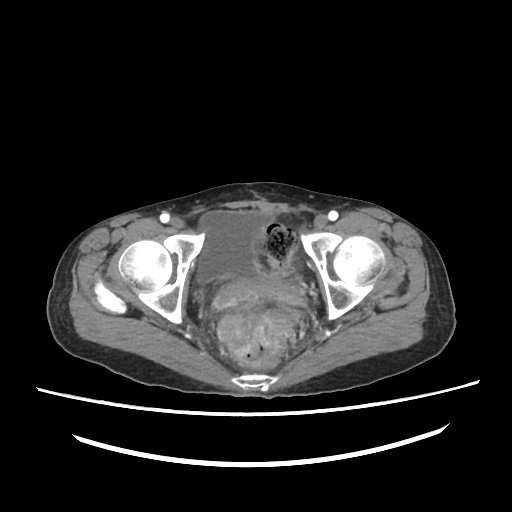
CT abdomen · Axial slice 13/82 · abdomen soft-tissue window · Aquilion ONE scanner
{"organs":{"bladder":[195,210,271,281],"prostate/uterus":[212,275,307,328]}}